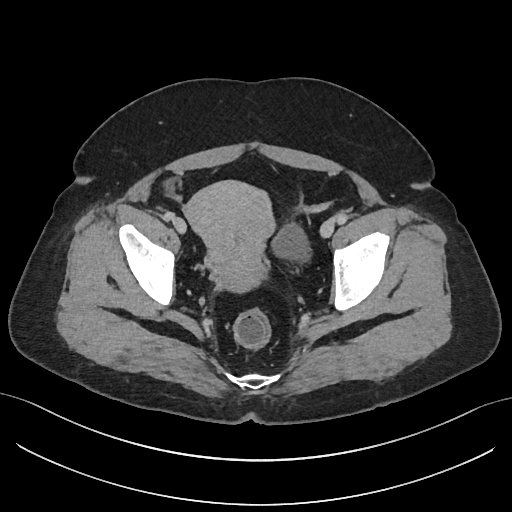

CT, abdomen/pelvis — axial view — abdomen soft-tissue window — 512x512 px — 15 organs annotated in this scan (counted over the whole 3D scan, not this slice; an organ is boxed only where this slice passes through it)
Bounding boxes as [x1, y1, x2, y2] in pixel coordinates.
Organ bounding boxes:
- bladder: [272, 224, 310, 260]
- prostate/uterus: [185, 181, 274, 292]